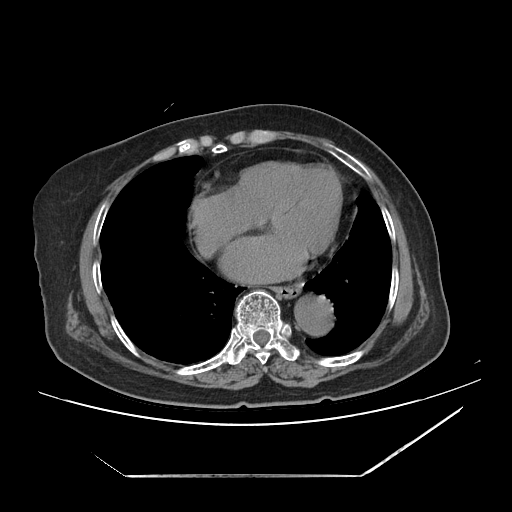
Lower-chest slice from an abdominal CT, just above the liver and spleen — axial view
No part of the heart or lungs is labeled in this dataset, so neither has a box here. Bounding boxes as [x1, y1, x2, y2] in pixel coordinates. 2 labeled organs on this slice — aorta at [293, 294, 332, 334]; esophagus at [273, 286, 300, 298].